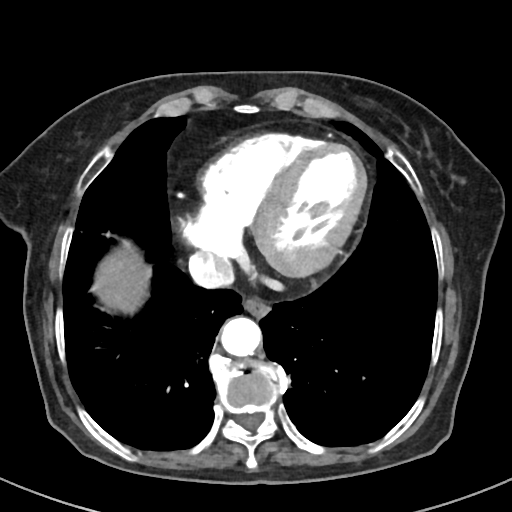 CT, abdomen/pelvis. Axial slice 185/279. W/L 400/40 HU. 512x512 px. 15 organs annotated in this scan (that count is for the whole scan; organs this slice misses have no box)
Box edges are left/top/right/bottom in pixels.
Organ bounding boxes:
- inferior vena cava: left=188, top=252, right=232, bottom=288
- esophagus: left=243, top=299, right=270, bottom=318
- liver: left=97, top=248, right=144, bottom=310
- aorta: left=221, top=317, right=261, bottom=356